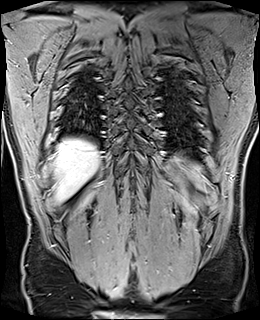 Abdominal MRI. coronal view. 1st–99th percentile window. acquired on Prisma
Boxes are (x1, y1, x2, y2) in pixels.
spleen: (191, 165, 200, 178)
liver: (54, 139, 99, 201)